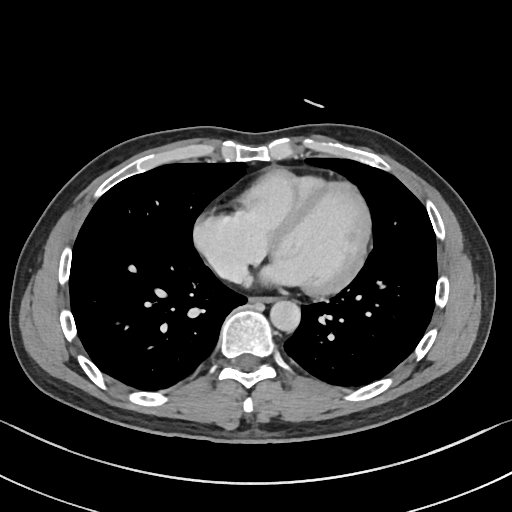
Lower-chest slice from an abdominal CT, just above the liver and spleen — axial view — soft-tissue window
Of the structures in the chest, this dataset labels only the esophagus, the aorta and the inferior vena cava; the heart and lungs have no label.
Organ boxes in pixel coordinates; each row gives the top-left (x1, y1) and bottom-right (x2, y2) corners.
| organ | x1 | y1 | x2 | y2 |
|---|---|---|---|---|
| esophagus | 251 | 296 | 275 | 302 |
| aorta | 270 | 300 | 300 | 331 |
| inferior vena cava | 213 | 257 | 249 | 278 |